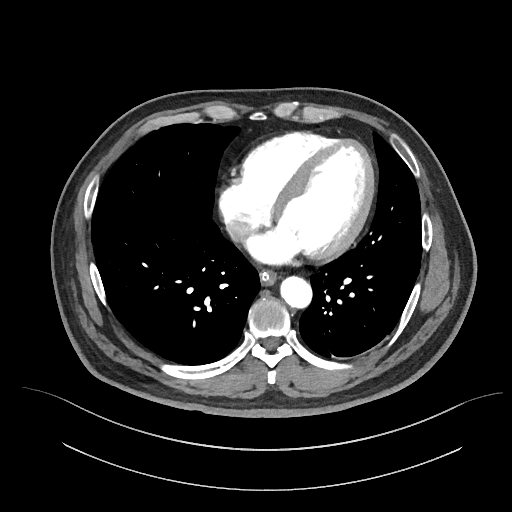

CT of the abdomen reaching into the lower chest, slice just above the liver and spleen · axial view · W/L 400/40 HU · acquired on SOMATOM Force · 15 organs annotated in this scan (a whole-scan count: organs this slice does not pass through have no box)
No part of the heart or lungs is labeled in this dataset, so neither has a box here.
Coordinates as <box>x1,y1,x2,y2</box> in pixels.
Organ bounding boxes:
- esophagus: <box>260,270,277,285</box>
- aorta: <box>280,276,312,307</box>
- inferior vena cava: <box>227,221,251,241</box>